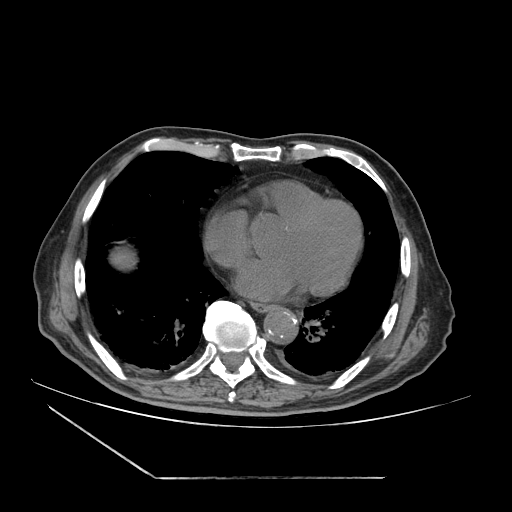 CT, abdomen/pelvis — axial view — soft-tissue window (W 400 / L 40) — 512x512 px — SOMATOM Force scanner — scan has 15 labeled organs (counted over the whole 3D scan, not this slice; an organ is boxed only where this slice passes through it)
Each box given as x1,y1,x2,y2.
Organ bounding boxes:
- esophagus: x1=251, y1=303, x2=272, y2=311
- liver: x1=113, y1=252, x2=135, y2=270
- aorta: x1=264, y1=308, x2=297, y2=343